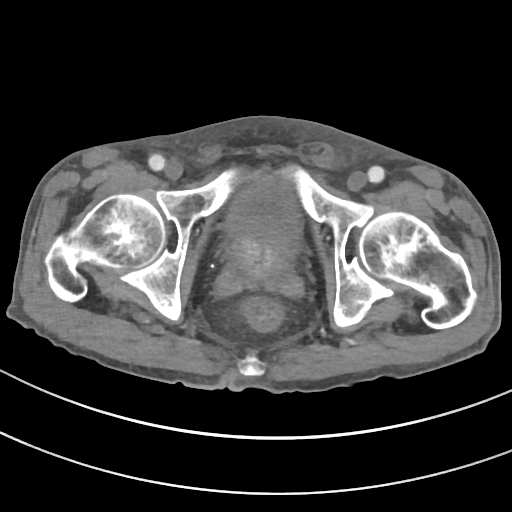

CT, abdomen/pelvis · Axial slice 11/122
{"organs":{"prostate/uterus":[228,231,292,280],"bladder":[227,176,299,244]}}